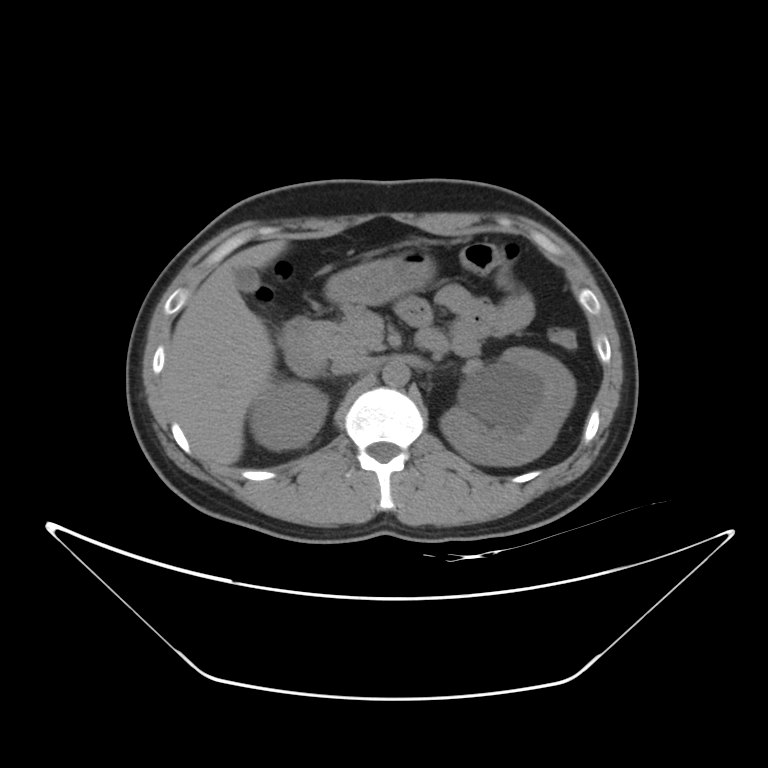
Abdominal CT · axial plane, index 74 · soft-tissue window · Brilliance16 scanner
Box edges are left/top/right/bottom in pixels.
Organ bounding boxes:
- pancreas: left=312, top=306, right=382, bottom=357
- aorta: left=382, top=360, right=409, bottom=386
- liver: left=163, top=240, right=286, bottom=466
- duodenum: left=279, top=318, right=324, bottom=377
- inferior vena cava: left=330, top=352, right=371, bottom=375
- gall bladder: left=234, top=267, right=258, bottom=292
- stomach: left=325, top=244, right=435, bottom=305
- right kidney: left=249, top=379, right=327, bottom=449
- left kidney: left=440, top=347, right=576, bottom=466